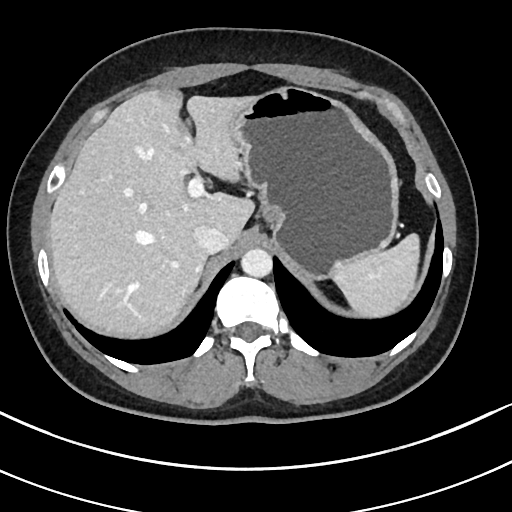 CT abdomen · axial view · soft-tissue window (W 400 / L 40) · 512x512 px · 15 organs annotated in this scan (counted over the whole 3D scan, not this slice; an organ is boxed only where this slice passes through it)
<organs><organ name="spleen" x1="333" y1="233" x2="420" y2="316"/><organ name="liver" x1="48" y1="88" x2="256" y2="334"/><organ name="stomach" x1="232" y1="87" x2="398" y2="277"/><organ name="aorta" x1="240" y1="249" x2="272" y2="278"/><organ name="inferior vena cava" x1="194" y1="225" x2="227" y2="253"/></organs>